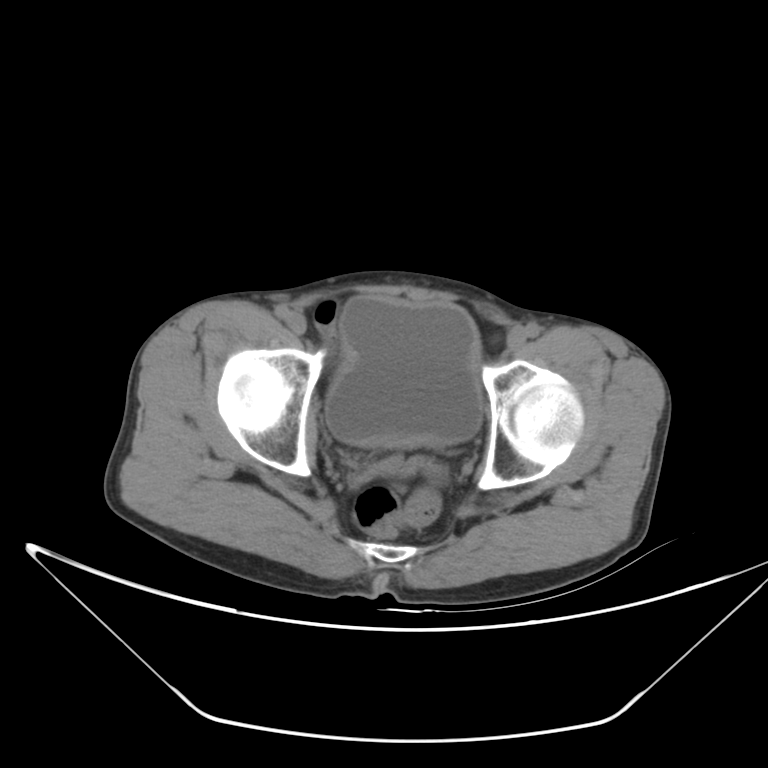
Abdominal CT; Axial slice 23/81; 63-year-old male patient
Organ boxes in pixel coordinates; each row gives the top-left (x1, y1) and bottom-right (x2, y2) corners.
| organ | x1 | y1 | x2 | y2 |
|---|---|---|---|---|
| bladder | 326 | 297 | 482 | 444 |